Chest-level CT slice, above the liver and spleen · axial plane, index 98 · 512x512 px
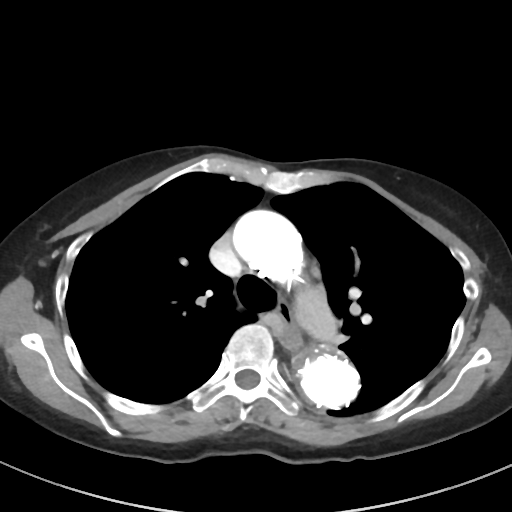

At this level of the chest no structure but the esophagus and the aorta has a label in this dataset, and those two are boxed only where they are labeled.
Coordinates as <box>x1,y1,x2,y2</box> in pixels.
Organ bounding boxes:
- esophagus: <box>278,303,300,347</box>
- aorta: <box>232,209,304,283</box>
- aorta: <box>291,346,359,411</box>